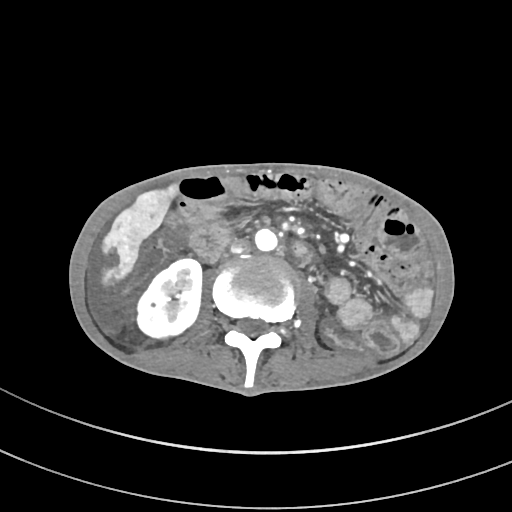
Abdominal CT. axial view. 512x512 px. acquired on SOMATOM Force
<organs><organ name="right kidney" x1="137" y1="259" x2="201" y2="337"/><organ name="liver" x1="99" y1="184" x2="180" y2="285"/><organ name="aorta" x1="254" y1="228" x2="277" y2="251"/><organ name="inferior vena cava" x1="230" y1="239" x2="250" y2="253"/></organs>